Computed tomography, abdomen — axial view — 512x512 px — 45-year-old male patient
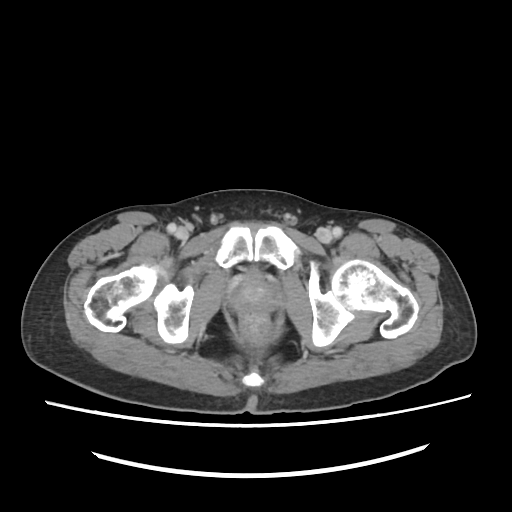

Coordinates as <box>x1,y1,x2,y2</box> in pixels.
Organ bounding boxes:
- prostate/uterus: <box>232,275,276,313</box>